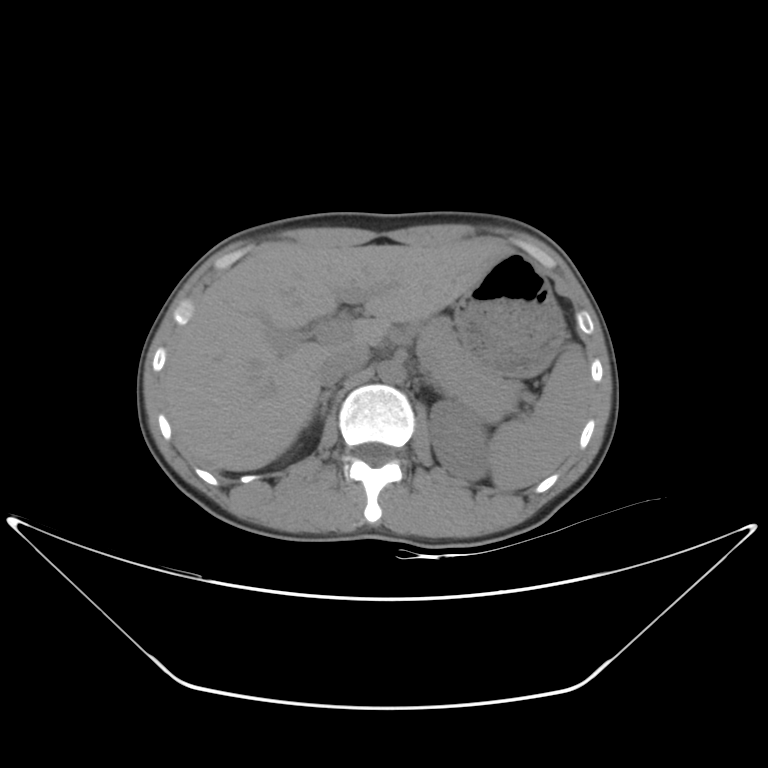 Computed tomography, abdomen — axial view — 768x768 px — Brilliance16 scanner
{"organs":{"spleen":[491,345,591,490],"left kidney":[428,399,490,481],"liver":[163,238,510,470],"stomach":[456,253,566,377],"aorta":[377,360,406,383],"inferior vena cava":[316,342,369,384],"pancreas":[416,315,519,414],"right adrenal gland":[309,388,332,421]}}